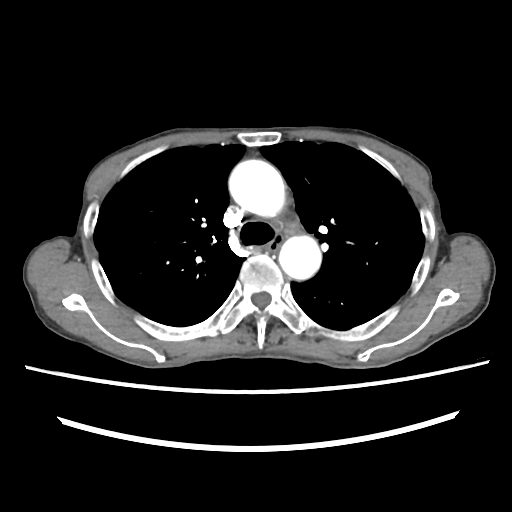
Chest-level slice from an abdominal CT that extends up into the chest. axial view. soft-tissue window
On a slice this high in the chest, this dataset labels only the esophagus and the aorta, and each is boxed only where it is labeled; the heart, lungs and other chest structures are not labeled.
Boxes: x1 y1 x2 y2 (pixel coords, space-separated).
esophagus: 268 235 283 252
aorta: 228 159 285 216
aorta: 278 235 321 279